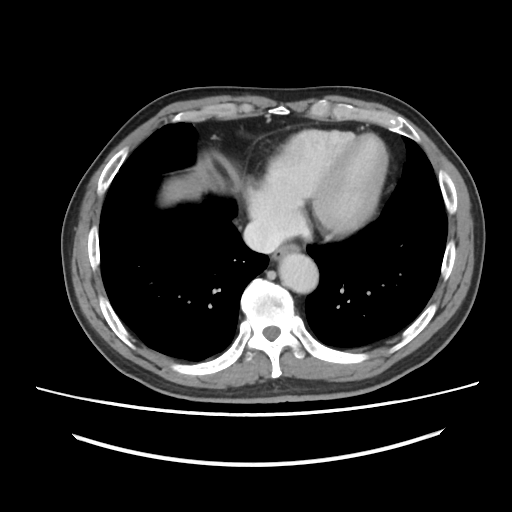
CT, abdomen/pelvis · axial view · soft-tissue window (W 400 / L 40) · 512x512 px · 14 organs annotated in this scan (that count is for the whole scan; organs this slice misses have no box)
Boxes: x1:y1:x2:y2 in pixels.
esophagus: 272:243:299:261
liver: 165:180:190:199
aorta: 278:253:318:293
inferior vena cava: 243:220:284:253